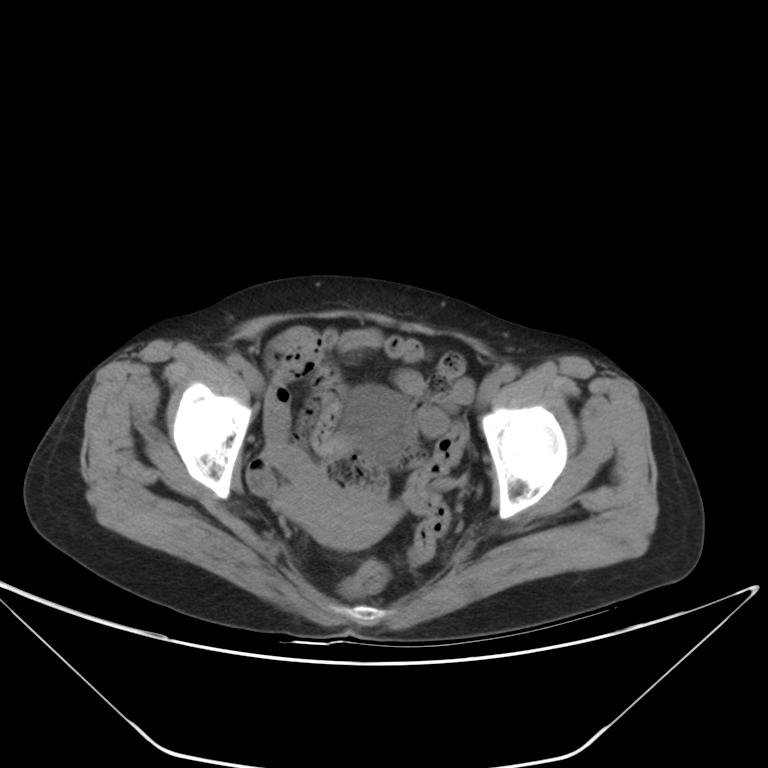

Computed tomography, abdomen. axial view. soft-tissue window. 15 organs annotated in this scan (counted over the whole 3D scan, not this slice; an organ is boxed only where this slice passes through it)
Bounding boxes as [x1, y1, x2, y2] in pixel coordinates.
Organ bounding boxes:
- bladder: [347, 385, 403, 438]
- prostate/uterus: [309, 491, 392, 548]